CT, abdomen/pelvis — axial view — 768x768 px
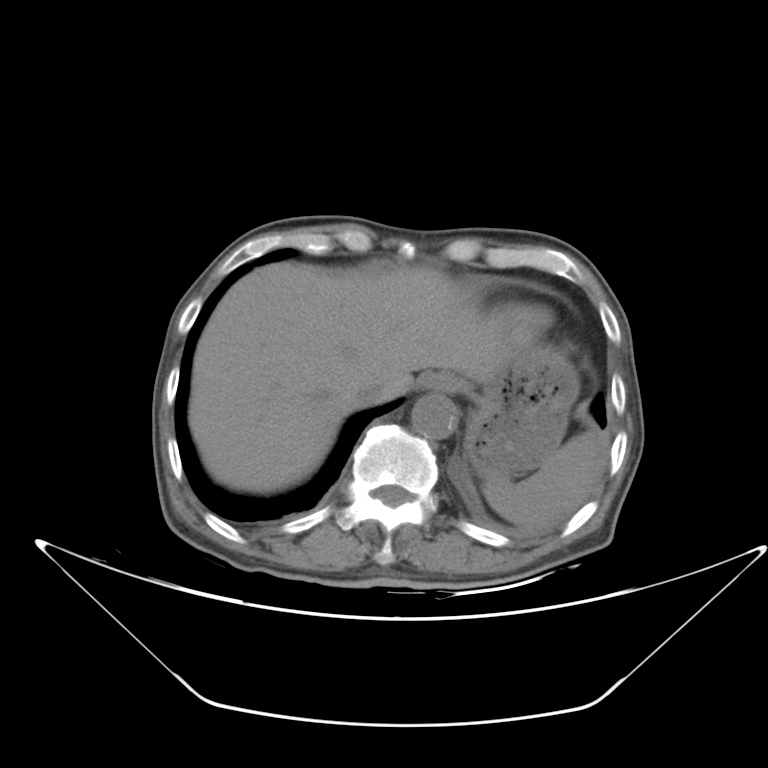

Boxes: x1:y1:x2:y2 in pixels.
spleen: 480:431:608:528
aorta: 412:393:459:440
inferior vena cava: 355:377:382:405
liver: 189:261:508:492
esophagus: 417:372:451:392
stomach: 448:350:580:478